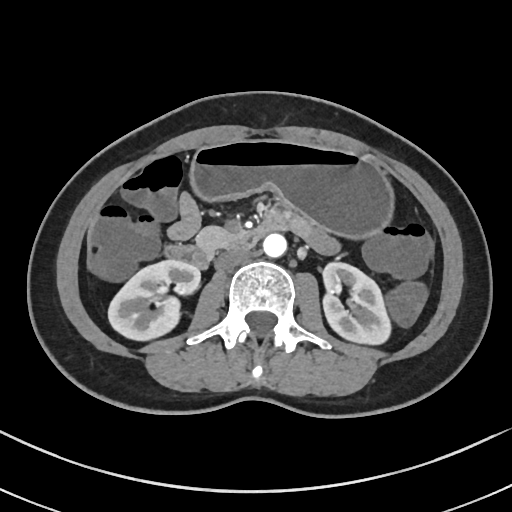 Abdominal CT · axial view · soft-tissue window · acquired on SOMATOM Force · 15 organs annotated in this scan (that count is for the whole scan; organs this slice misses have no box)
One row per box, in pixels: columns x1 and y1 give the top-left corner, x2 and y2 the bottom-right.
| organ | x1 | y1 | x2 | y2 |
|---|---|---|---|---|
| right kidney | 108 | 259 | 200 | 339 |
| left kidney | 322 | 262 | 390 | 343 |
| stomach | 190 | 139 | 392 | 236 |
| aorta | 263 | 233 | 286 | 257 |
| inferior vena cava | 215 | 249 | 248 | 269 |
| pancreas | 196 | 226 | 234 | 252 |
| duodenum | 166 | 213 | 286 | 268 |